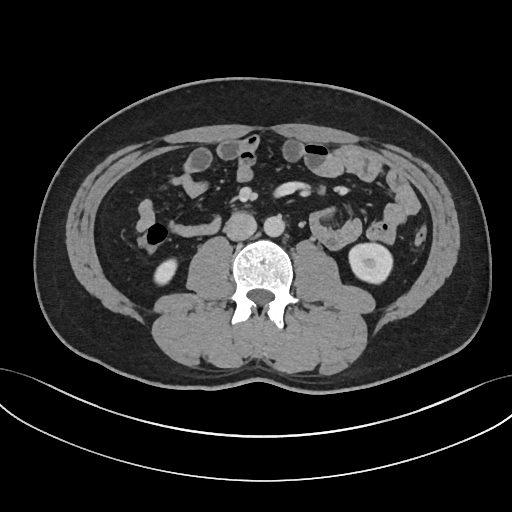
Computed tomography, abdomen; axial view; 512x512 px; acquired on SOMATOM Force; scan has 15 labeled organs (that count is for the whole scan; organs this slice misses have no box)
Bounding boxes as [x1, y1, x2, y2] in pixel coordinates.
aorta: [263, 215, 284, 237]
right kidney: [154, 259, 177, 284]
left kidney: [348, 243, 392, 283]
inferior vena cava: [224, 213, 256, 240]